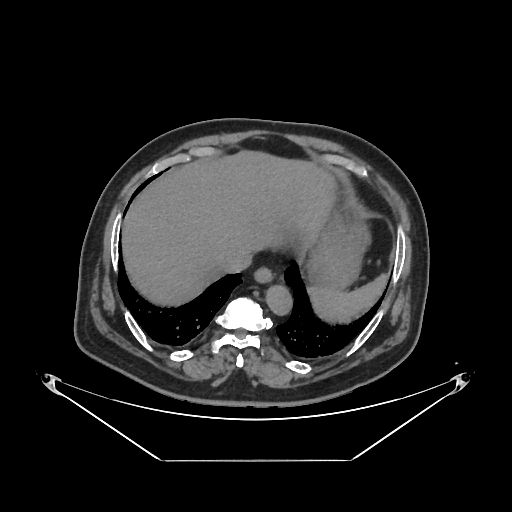 Computed tomography, abdomen — axial plane, index 310 — 512x512 px — scan has 15 labeled organs (counted over the whole 3D scan, not this slice; an organ is boxed only where this slice passes through it)
Bounding boxes as [x1, y1, x2, y2] in pixel coordinates.
Organ bounding boxes:
- inferior vena cava: [221, 252, 251, 272]
- stomach: [307, 216, 370, 289]
- esophagus: [254, 267, 273, 283]
- aorta: [266, 285, 292, 315]
- liver: [122, 150, 335, 305]
- spleen: [308, 274, 388, 322]